Chest-level slice from an abdominal CT that extends up into the chest · Axial slice 272/305 · 512x512 px
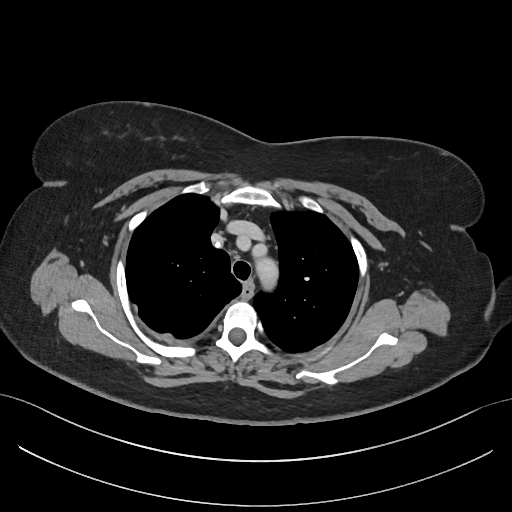 On a slice this high in the chest, this dataset labels only the esophagus and the aorta, and each is boxed only where it is labeled; the heart, lungs and other chest structures are not labeled.
Box edges are left/top/right/bottom in pixels.
aorta: left=256, top=253, right=278, bottom=290
esophagus: left=243, top=284, right=252, bottom=296